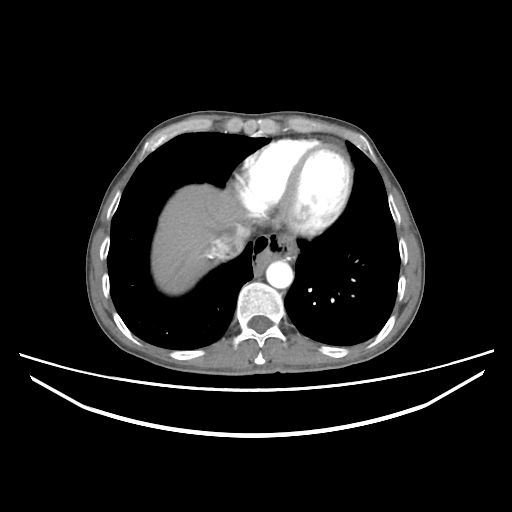 CT abdomen; axial plane, index 75; abdomen soft-tissue window; Aquilion ONE scanner
Boxes are (x1, y1, x2, y2) in pixels. 3 labeled organs on this slice — inferior vena cava at (211, 226, 250, 260); liver at (152, 184, 240, 294); aorta at (266, 261, 293, 288).